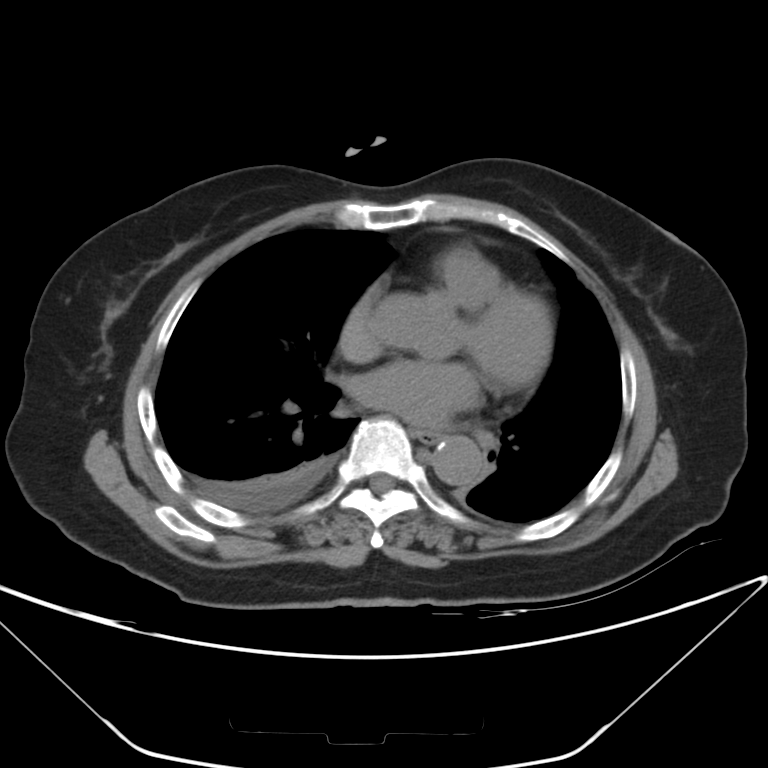

Lower-chest slice from an abdominal CT, just above the liver and spleen · axial view · soft-tissue window · 768x768 px · Brilliance16 scanner
No part of the heart or lungs is labeled in this dataset, so neither has a box here.
{"organs":{"aorta":[432,436,483,486],"esophagus":[418,431,436,442]}}